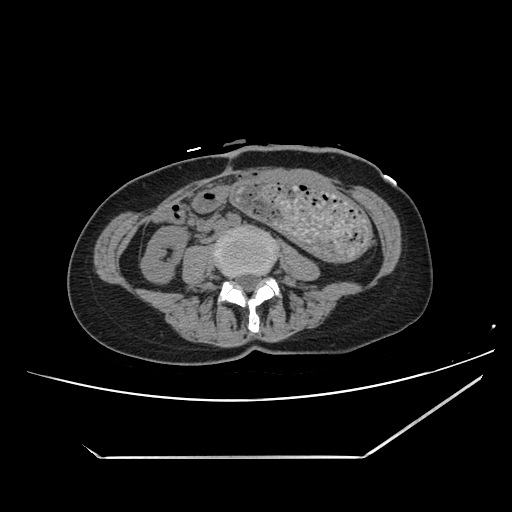 CT, abdomen/pelvis; axial view; 512x512 px; acquired on SOMATOM Force
Bounding boxes as [x1, y1, x2, y2] in pixel coordinates. 2 labeled organs on this slice — stomach at [231, 179, 370, 259]; right kidney at [140, 226, 187, 283].